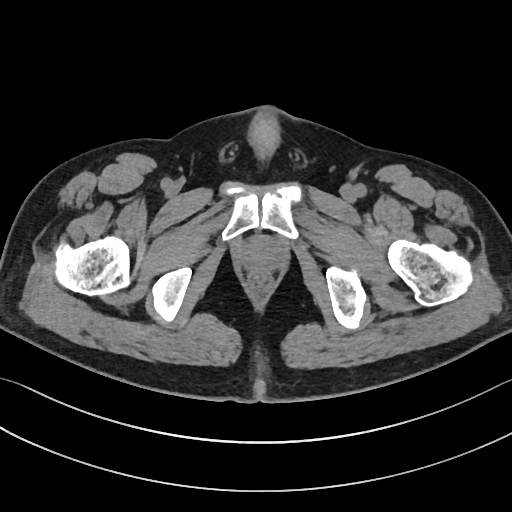

CT, abdomen/pelvis · axial plane, index 10
Bounding boxes in pixels, one row per box: x1, y1 is the top-left corner and x2, y2 the bottom-right.
| organ | x1 | y1 | x2 | y2 |
|---|---|---|---|---|
| prostate/uterus | 236 | 235 | 286 | 272 |